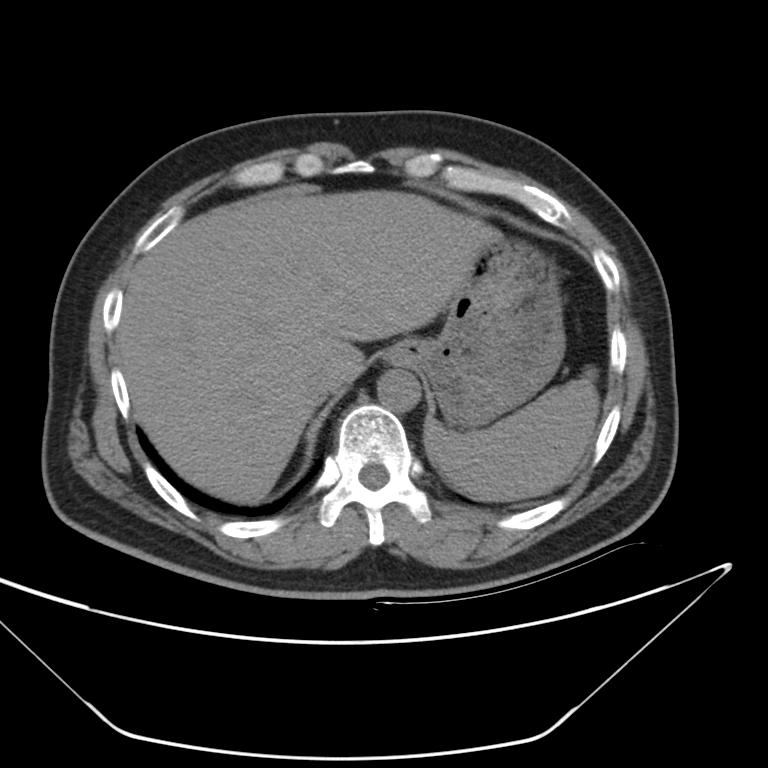
Abdominal CT. axial view. soft-tissue window. Brilliance16 scanner. scan has 14 labeled organs (counted over the whole 3D scan, not this slice; an organ is boxed only where this slice passes through it)
Bounding boxes as [x1, y1, x2, y2] in pixel coordinates.
Organ bounding boxes:
- spleen: [424, 368, 597, 499]
- liver: [117, 190, 500, 504]
- stomach: [387, 239, 565, 428]
- aorta: [377, 371, 419, 413]
- inferior vena cava: [307, 367, 338, 403]